Computed tomography, abdomen — axial plane, index 127 — soft-tissue window
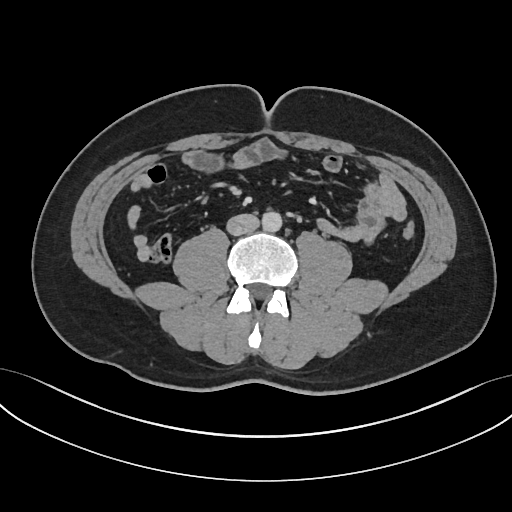

<organs><organ name="aorta" x1="262" y1="211" x2="282" y2="232"/><organ name="inferior vena cava" x1="226" y1="213" x2="258" y2="235"/></organs>